Computed tomography, abdomen. axial view. acquired on Brilliance16
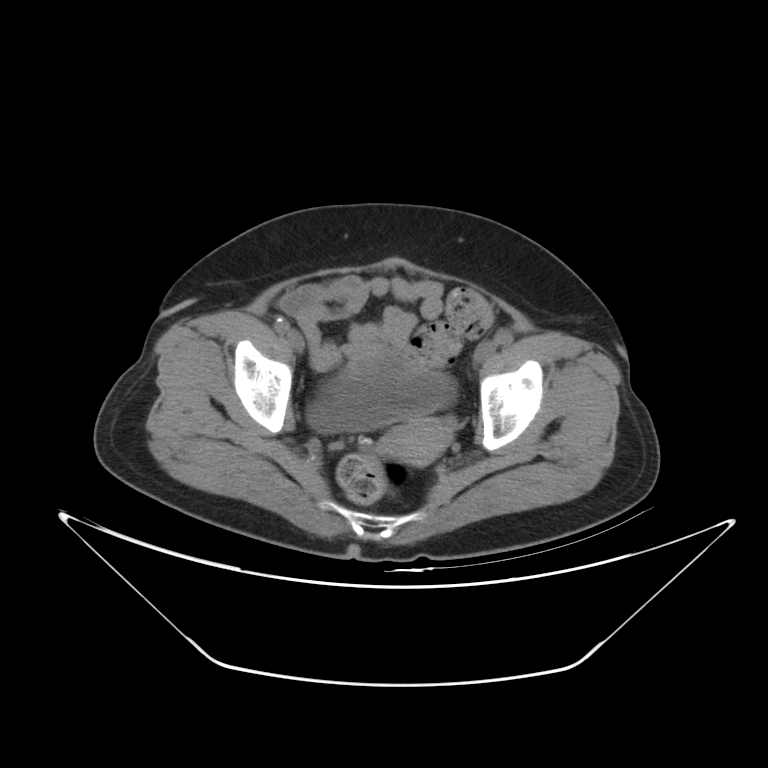 Boxes: x1 y1 x2 y2 (pixel coords, space-separated).
Organ bounding boxes:
- bladder: 307 366 456 433
- prostate/uterus: 380 418 451 465